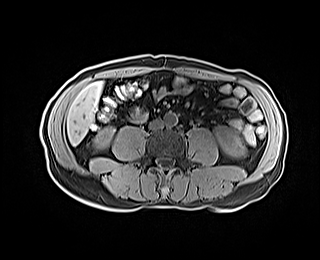

Magnetic resonance imaging, abdomen; axial view; 320x260 px; 13 organs annotated in this scan (counted over the whole 3D scan, not this slice; an organ is boxed only where this slice passes through it)
Boxes: x1 y1 x2 y2 (pixel coords, space-separated). The annotated organs in this slice are: right kidney at 94 126 115 149, left kidney at 215 126 245 157, liver at 67 81 103 145, aorta at 164 113 177 125, inferior vena cava at 148 118 164 130.